Chest-level slice from an abdominal CT that extends up into the chest · axial view · acquired on Aquilion ONE
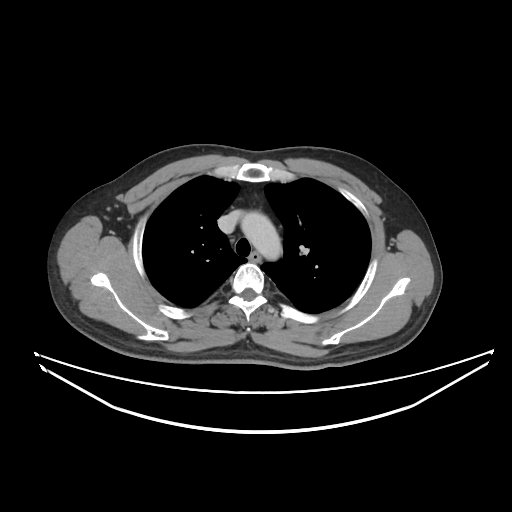
At this level of the chest no structure but the esophagus and the aorta has a label in this dataset, and those two are boxed only where they are labeled.
One row per box, in pixels: columns x1 and y1 give the top-left corner, x2 and y2 the bottom-right.
| organ | x1 | y1 | x2 | y2 |
|---|---|---|---|---|
| esophagus | 249 | 252 | 260 | 261 |
| aorta | 241 | 211 | 281 | 260 |